CT, abdomen/pelvis; axial view; W/L 400/40 HU
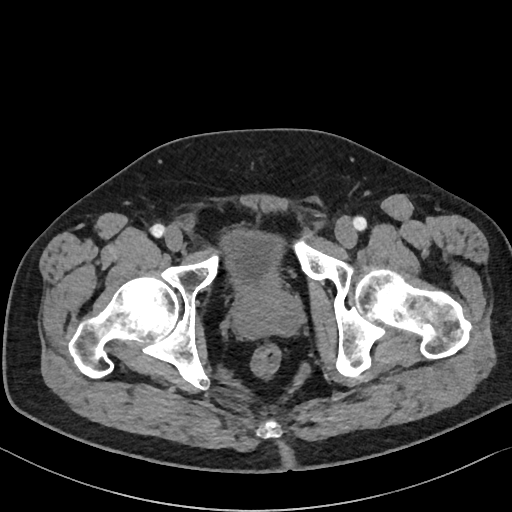

Bounding boxes as [x1, y1, x2, y2] in pixel coordinates.
prostate/uterus: [233, 281, 302, 338]
bladder: [223, 232, 280, 289]